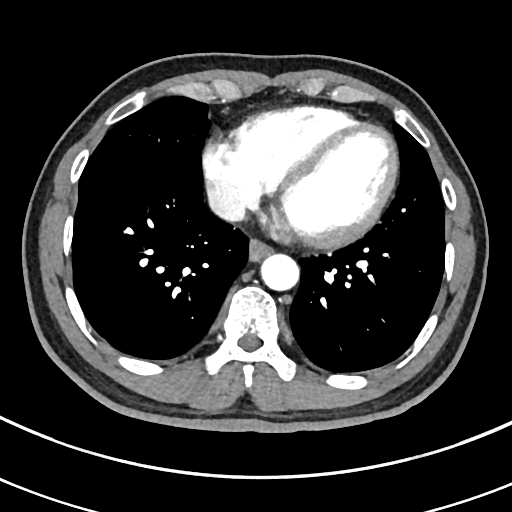
Abdominal CT; this slice is in the lower chest, just above the liver. axial view
Of the structures in the chest, this dataset labels only the esophagus, the aorta and the inferior vena cava; the heart and lungs have no label.
{"organs":{"esophagus":[249,237,273,260],"aorta":[260,253,298,290],"inferior vena cava":[207,187,245,221]}}